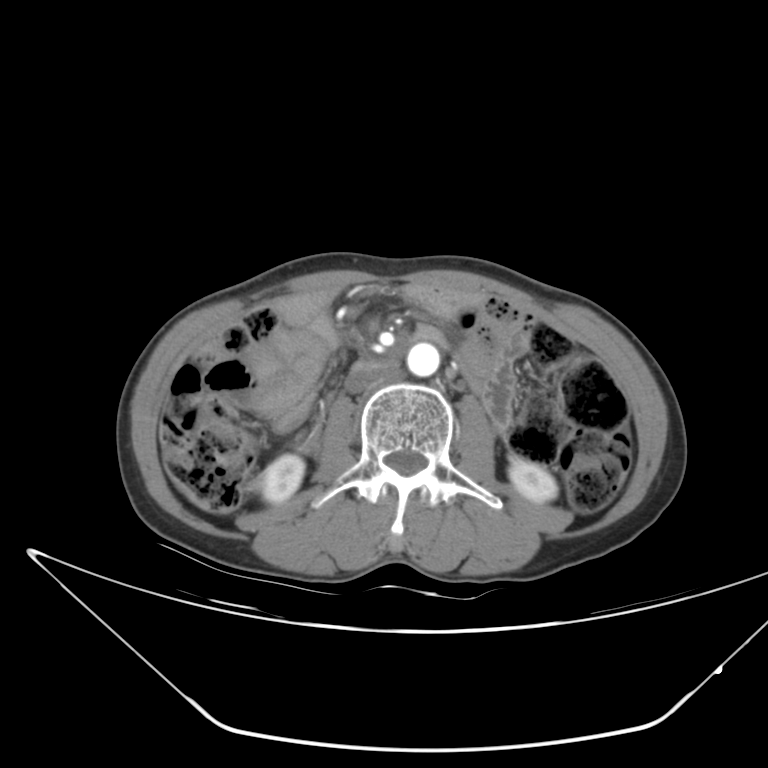 Computed tomography, abdomen; axial view; abdomen soft-tissue window; Brilliance16 scanner
{"organs":{"inferior vena cava":[345,362,398,393],"right kidney":[259,454,304,503],"left kidney":[509,459,557,502],"aorta":[407,343,439,376]}}